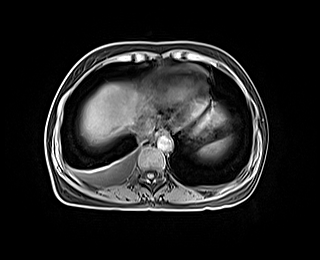 Magnetic resonance imaging, abdomen — Axial slice 64/72 — Prisma scanner — scan has 13 labeled organs (that count is for the whole scan; organs this slice misses have no box)
{"organs":{"spleen":[200,138,230,156],"esophagus":[156,128,167,135],"liver":[80,83,219,144],"stomach":[192,129,206,138],"aorta":[157,135,172,150],"inferior vena cava":[132,118,153,136]}}